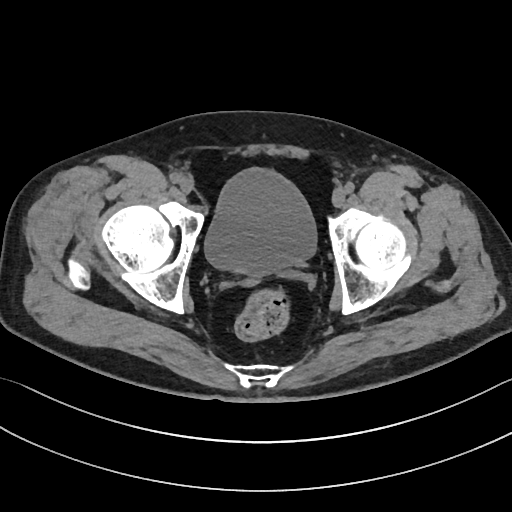 CT abdomen · Axial slice 32/231
<organs><organ name="bladder" x1="204" y1="168" x2="316" y2="274"/></organs>